Chest-level slice from an abdominal CT that extends up into the chest · axial plane, index 243 · 512x512 px
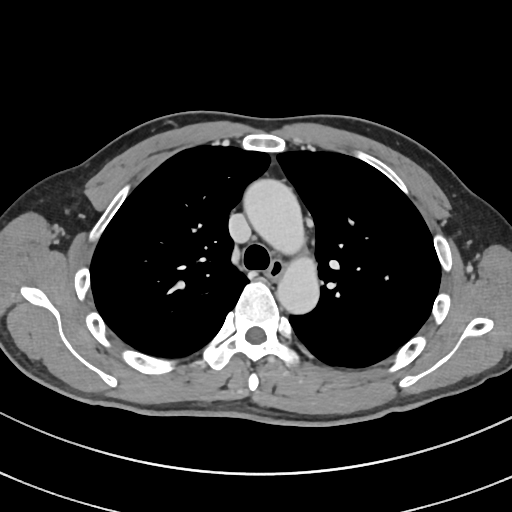 On a slice this high in the chest, this dataset labels only the esophagus and the aorta, and each is boxed only where it is labeled; the heart, lungs and other chest structures are not labeled.
Boxes: x1 y1 x2 y2 (pixel coords, space-separated).
aorta: 244 179 319 312
esophagus: 264 260 284 279